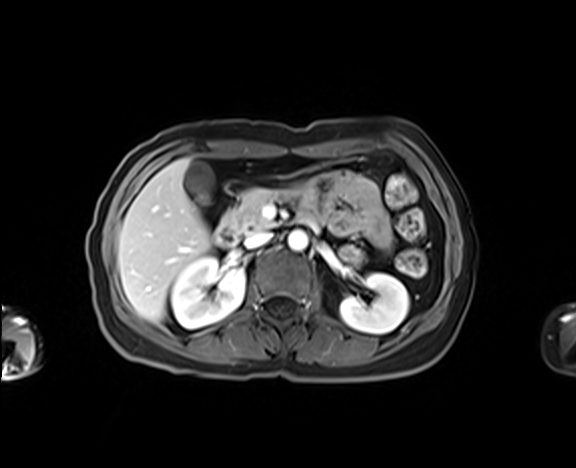 Abdominal MR — axial view — 576x468 px
Boxes are (x1, y1, x2, y2) in pixels. Labeled organs on this slice: liver at (118, 158, 211, 322), gall bladder at (184, 161, 213, 196), inferior vena cava at (244, 232, 271, 248), aorta at (288, 231, 307, 250), right kidney at (171, 257, 245, 327), duodenum at (215, 221, 238, 246), left kidney at (339, 273, 408, 333), pancreas at (224, 188, 285, 234).